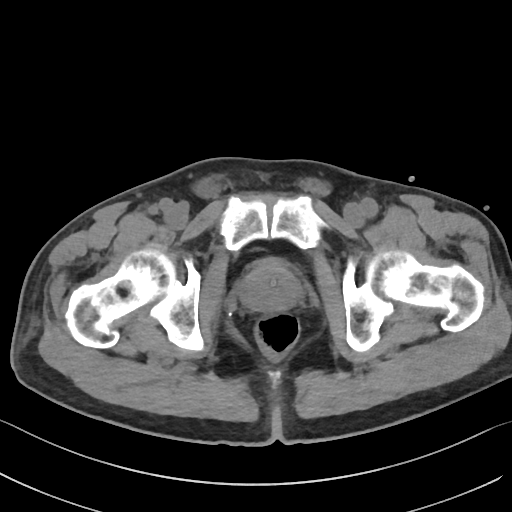
CT, abdomen/pelvis. axial view. 512x512 px
{"organs":{"prostate/uterus":[239,260,300,310]}}